Computed tomography, abdomen; axial view; abdomen soft-tissue window; 68-year-old male patient
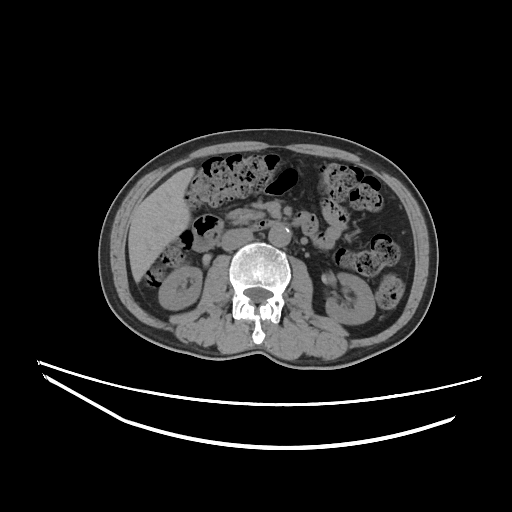
<organs><organ name="right kidney" x1="159" y1="265" x2="201" y2="309"/><organ name="left kidney" x1="325" y1="273" x2="375" y2="324"/><organ name="liver" x1="128" y1="167" x2="194" y2="282"/><organ name="aorta" x1="268" y1="224" x2="290" y2="246"/><organ name="inferior vena cava" x1="221" y1="228" x2="252" y2="250"/><organ name="pancreas" x1="227" y1="208" x2="264" y2="224"/><organ name="duodenum" x1="192" y1="215" x2="300" y2="251"/></organs>